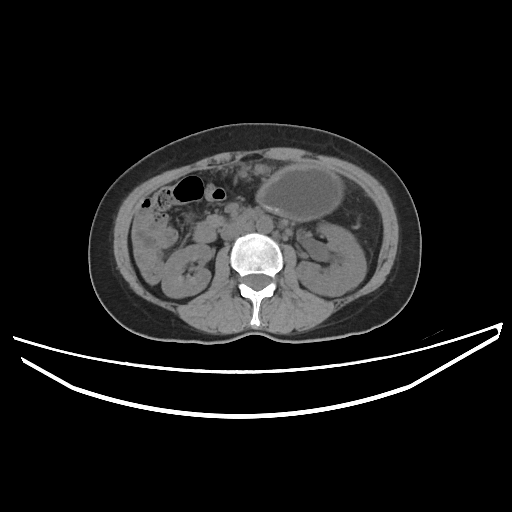 CT abdomen — axial view — 15 organs annotated in this scan (counted over the whole 3D scan, not this slice; an organ is boxed only where this slice passes through it)
Organ boxes in pixel coordinates; each row gives the top-left (x1, y1) and bottom-right (x2, y2) corners.
| organ | x1 | y1 | x2 | y2 |
|---|---|---|---|---|
| right kidney | 162 | 244 | 211 | 297 |
| left kidney | 296 | 222 | 366 | 296 |
| liver | 133 | 230 | 134 | 236 |
| stomach | 257 | 164 | 343 | 220 |
| aorta | 256 | 216 | 272 | 233 |
| inferior vena cava | 221 | 223 | 244 | 239 |
| pancreas | 206 | 216 | 223 | 226 |
| duodenum | 193 | 221 | 216 | 242 |